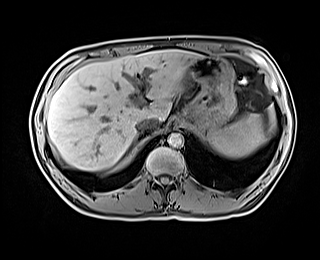 MRI, abdomen; axial view; 1st–99th percentile window; 320x260 px; acquired on Prisma
<organs><organ name="spleen" x1="209" y1="114" x2="265" y2="158"/><organ name="liver" x1="47" y1="49" x2="201" y2="171"/><organ name="stomach" x1="183" y1="57" x2="235" y2="129"/><organ name="inferior vena cava" x1="136" y1="117" x2="158" y2="132"/><organ name="aorta" x1="168" y1="133" x2="183" y2="147"/></organs>